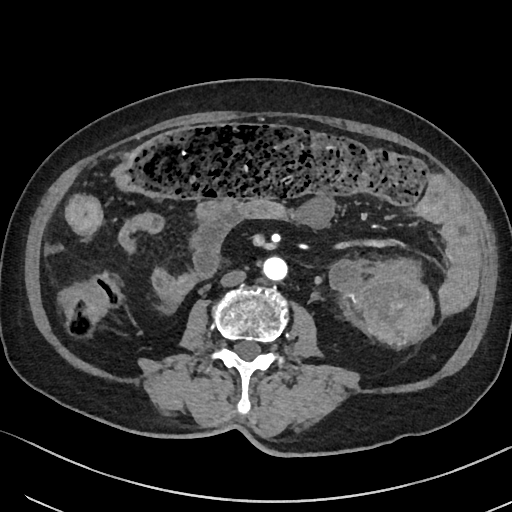 Abdominal CT · axial view · W/L 400/40 HU · 512x512 px · SOMATOM Force scanner · scan has 15 labeled organs (counted over the whole 3D scan, not this slice; an organ is boxed only where this slice passes through it)
<organs><organ name="aorta" x1="263" y1="256" x2="287" y2="280"/><organ name="inferior vena cava" x1="220" y1="270" x2="246" y2="286"/></organs>